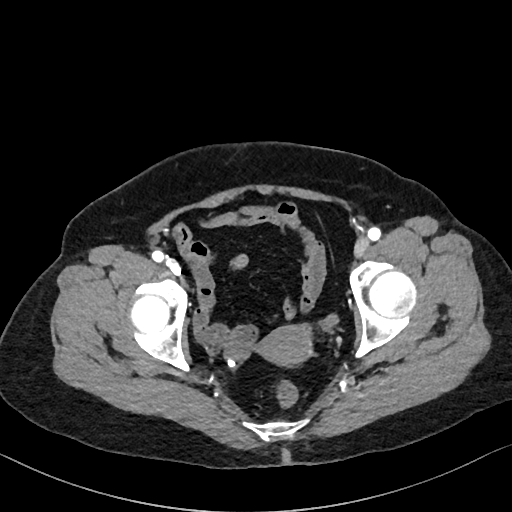 Computed tomography, abdomen. axial view. W/L 400/40 HU
{"organs":{"prostate/uterus":[259,326,312,366]}}